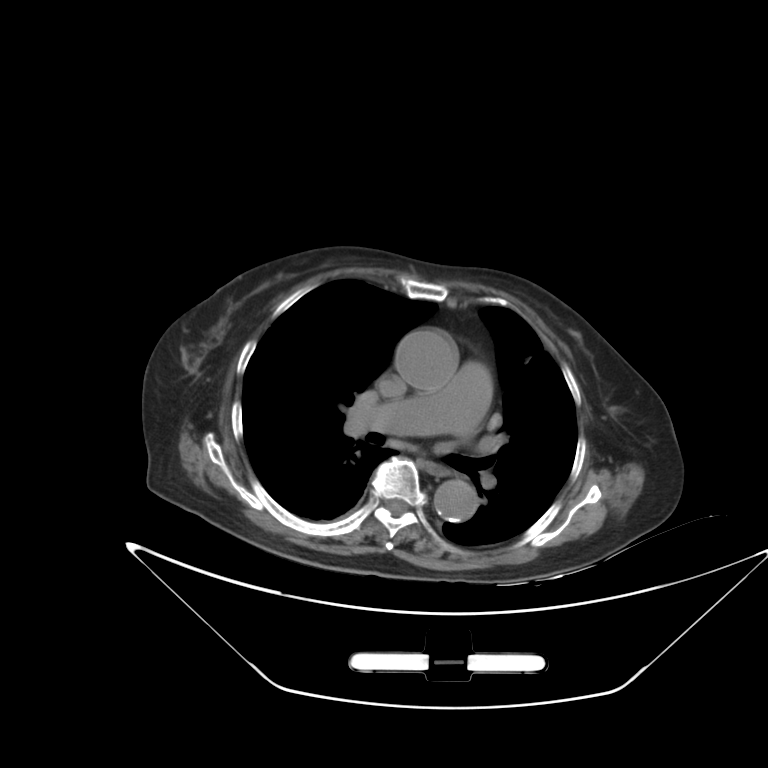
Abdominal CT; this slice is in the lower chest, just above the liver; axial view; soft-tissue window, W/L 400/40; 768x768 px; acquired on Brilliance16
The heart and lungs are never labeled in this dataset, so they have no box on this slice. Boxes: x1:y1:x2:y2 in pixels. The annotated organs in this slice are: esophagus at 425:463:450:476, aorta at 395:330:456:390, aorta at 434:479:477:521.